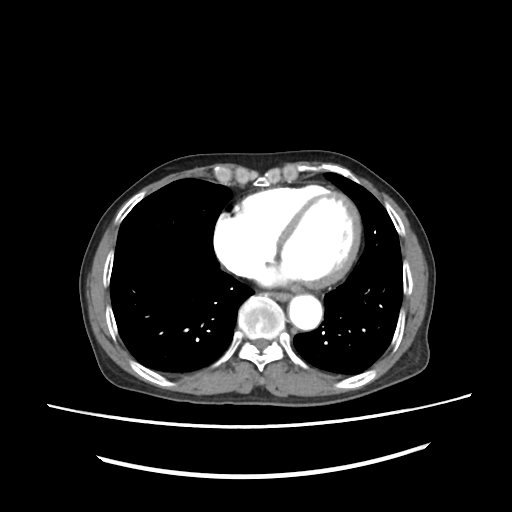

Lower-chest slice from an abdominal CT, just above the liver and spleen. Axial slice 93/132. 512x512 px
No part of the heart or lungs is labeled in this dataset, so neither has a box here.
Organ boxes in pixel coordinates; each row gives the top-left (x1, y1) and bottom-right (x2, y2) corners.
| organ | x1 | y1 | x2 | y2 |
|---|---|---|---|---|
| esophagus | 275 | 292 | 293 | 301 |
| aorta | 289 | 296 | 323 | 328 |